Abdominal CT — axial view — abdomen soft-tissue window — 58-year-old male patient — 15 organs annotated in this scan (that count is for the whole scan; organs this slice misses have no box)
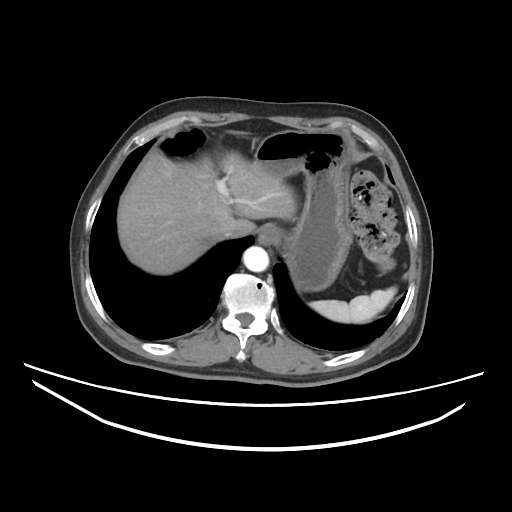

<organs><organ name="inferior vena cava" x1="221" y1="224" x2="249" y2="238"/><organ name="stomach" x1="253" y1="129" x2="352" y2="291"/><organ name="liver" x1="117" y1="149" x2="296" y2="274"/><organ name="esophagus" x1="258" y1="224" x2="280" y2="245"/><organ name="aorta" x1="243" y1="246" x2="268" y2="271"/><organ name="spleen" x1="309" y1="287" x2="396" y2="323"/></organs>